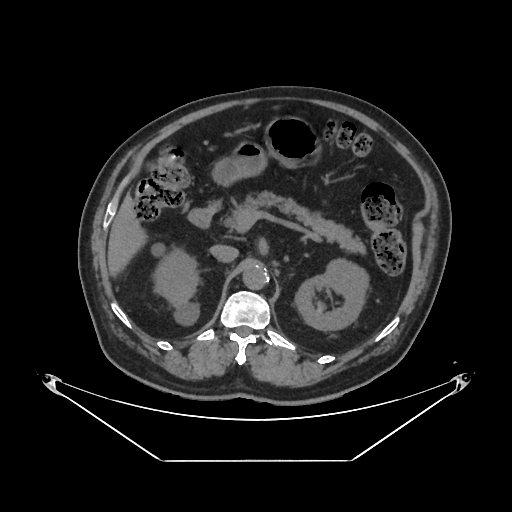

CT, abdomen/pelvis — axial view — soft-tissue window (W 400 / L 40) — SOMATOM Force scanner
{"organs":{"left kidney":[295,257,367,330],"pancreas":[225,192,364,251],"right kidney":[151,240,199,323],"stomach":[215,119,317,181],"inferior vena cava":[210,244,239,261],"duodenum":[188,203,221,227],"aorta":[243,262,269,289],"liver":[107,195,143,274]}}